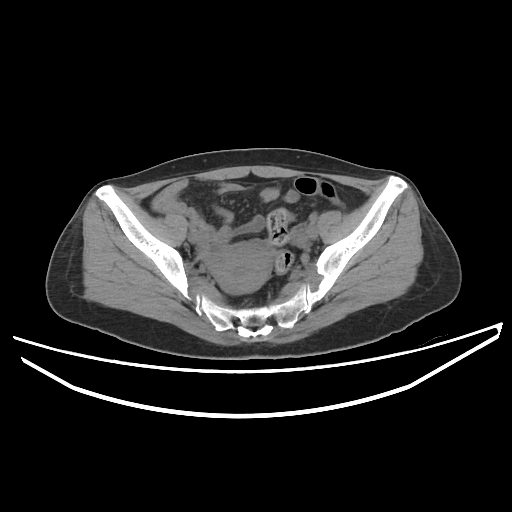 CT, abdomen/pelvis. axial view. 50-year-old female patient
Each box given as x1,y1,x2,y2.
prostate/uterus: x1=208, y1=243, x2=272, y2=293